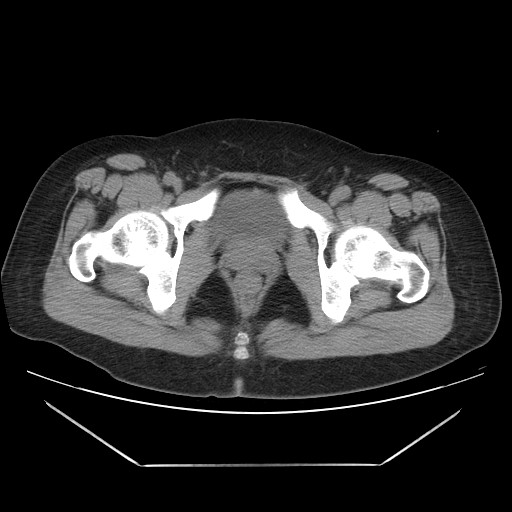

CT abdomen — axial view — W/L 400/40 HU — acquired on SOMATOM Force
{"organs":{"bladder":[213,190,285,244]}}